CT, abdomen/pelvis — axial view
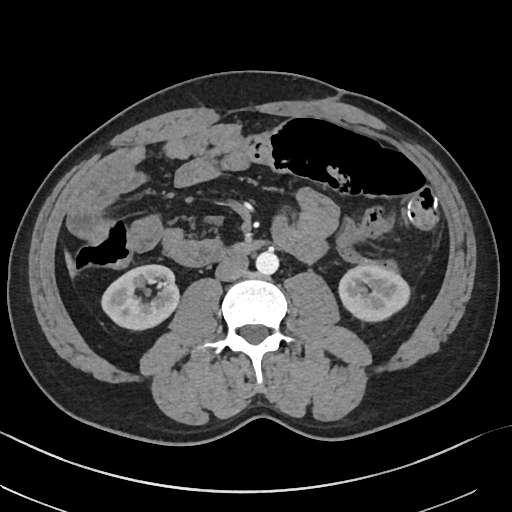
Box edges are left/top/right/bottom in pixels.
Organ bounding boxes:
- right kidney: left=102, top=264, right=178, bottom=328
- left kidney: left=338, top=265, right=410, bottom=320
- liver: left=64, top=251, right=77, bottom=278
- aorta: left=255, top=251, right=278, bottom=274
- inferior vena cava: left=215, top=254, right=248, bottom=280
- duodenum: left=214, top=239, right=266, bottom=258